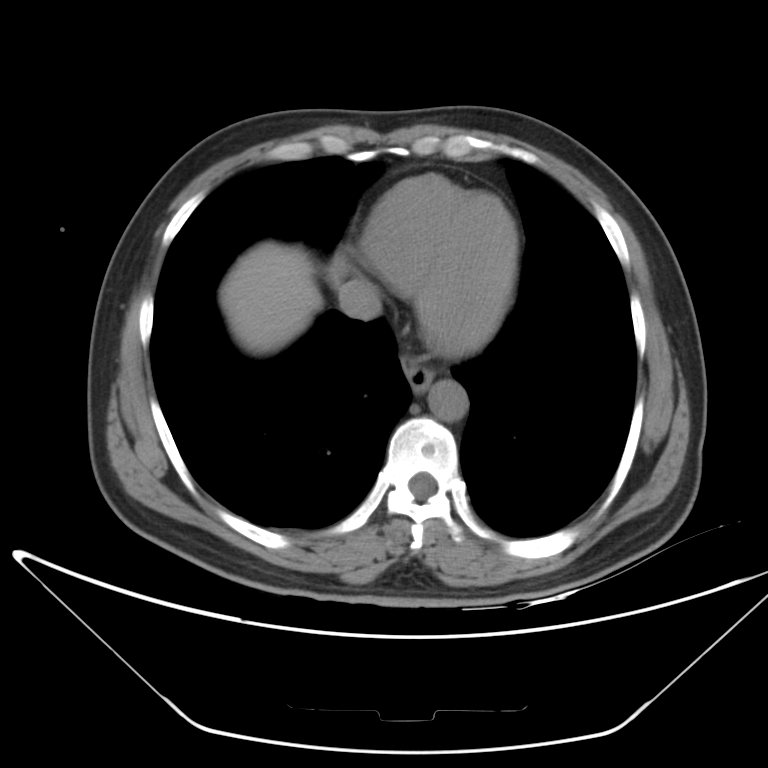 Abdominal CT · Axial slice 77/84 · 768x768 px · acquired on Brilliance16
Boxes: x1 y1 x2 y2 (pixel coords, space-separated). The annotated organs in this slice are: esophagus at 400 353 435 392, inferior vena cava at 338 279 382 321, liver at 219 242 322 353, aorta at 427 380 468 422.